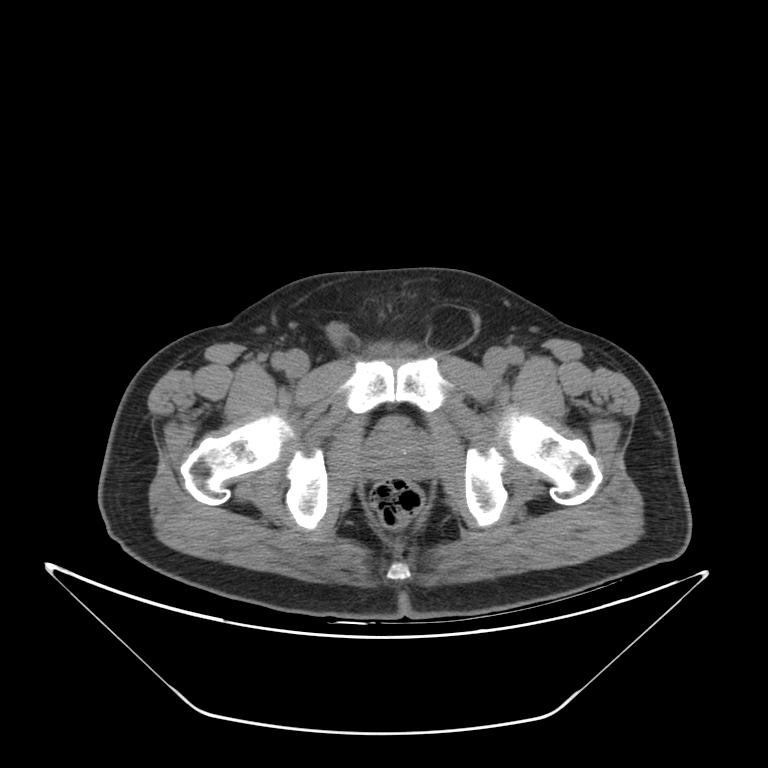

CT, abdomen/pelvis · axial view · abdomen soft-tissue window · 768x768 px · 55-year-old male patient · scan has 15 labeled organs (that count is for the whole scan; organs this slice misses have no box)
Bounding boxes as [x1, y1, x2, y2] in pixel coordinates.
prostate/uterus: [364, 426, 428, 474]